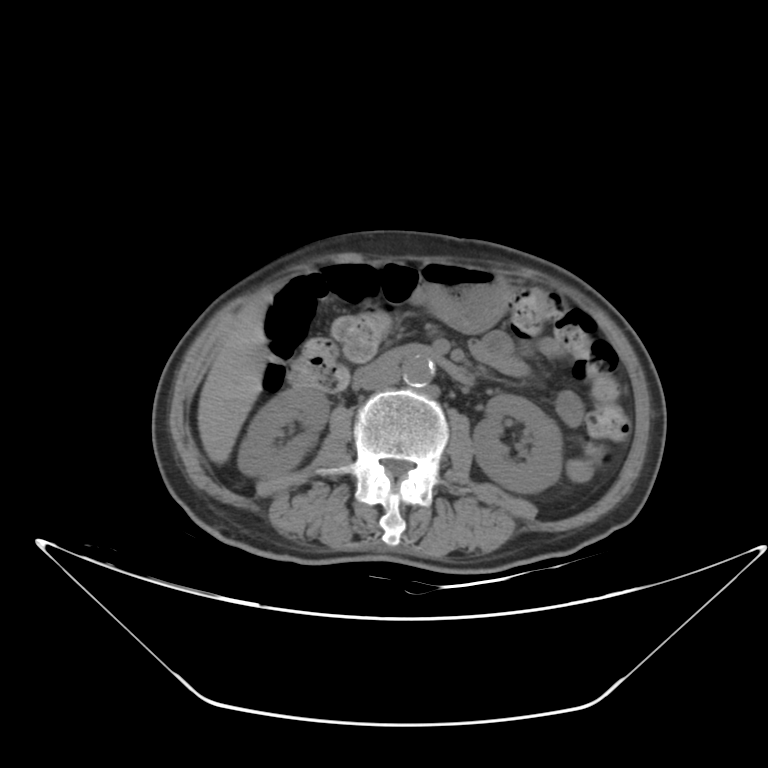
CT abdomen — Axial slice 57/90 — soft-tissue window — 69-year-old male patient
<organs><organ name="right kidney" x1="238" y1="389" x2="327" y2="477"/><organ name="left kidney" x1="473" y1="396" x2="563" y2="493"/><organ name="liver" x1="196" y1="288" x2="272" y2="463"/><organ name="stomach" x1="408" y1="262" x2="513" y2="331"/><organ name="aorta" x1="402" y1="355" x2="435" y2="386"/><organ name="inferior vena cava" x1="359" y1="364" x2="403" y2="390"/><organ name="duodenum" x1="351" y1="344" x2="478" y2="384"/></organs>